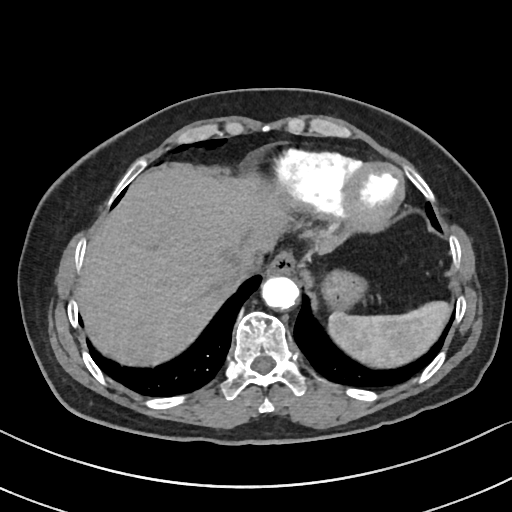 CT abdomen. axial view. acquired on SOMATOM Force
{"organs":{"spleen":[329,301,450,367],"esophagus":[267,251,296,275],"liver":[76,168,341,365],"stomach":[321,270,367,309],"aorta":[262,276,299,309],"inferior vena cava":[222,256,261,282]}}